CT of the abdomen extending into the chest, slice through the chest. axial view. 512x512 px. 15 organs annotated in this scan (that count is for the whole scan; organs this slice misses have no box)
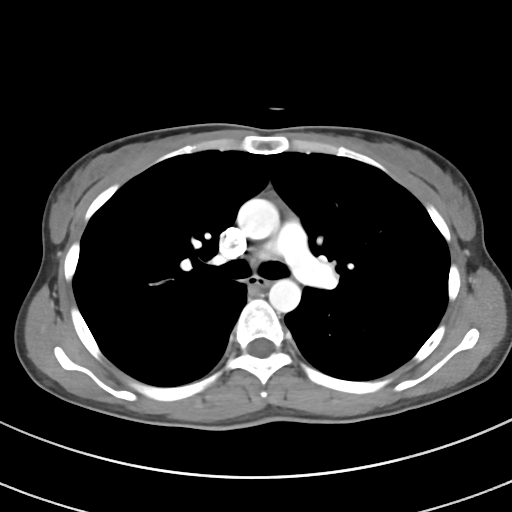 On a slice this high in the chest, this dataset labels only the esophagus and the aorta, and each is boxed only where it is labeled; the heart, lungs and other chest structures are not labeled.
<organs><organ name="esophagus" x1="248" y1="276" x2="269" y2="289"/><organ name="aorta" x1="237" y1="198" x2="279" y2="239"/><organ name="aorta" x1="268" y1="279" x2="301" y2="312"/></organs>